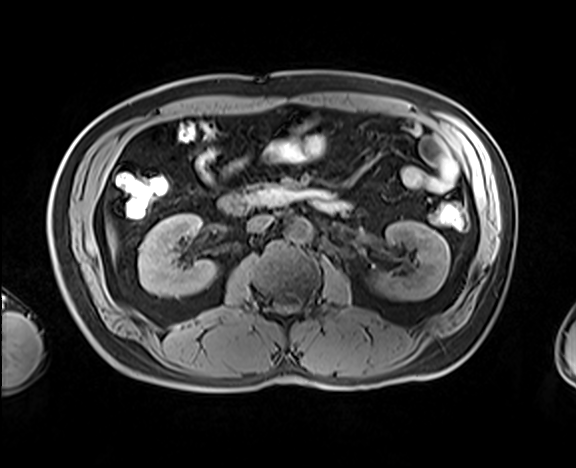
Magnetic resonance imaging, abdomen — Axial slice 19/72 — percentile-normalized — Prisma scanner
{"organs":{"left kidney":[374,221,450,300],"liver":[107,225,116,255],"pancreas":[248,184,330,206],"duodenum":[220,194,346,216],"inferior vena cava":[246,214,273,232],"aorta":[286,218,313,243],"right kidney":[138,213,216,297]}}